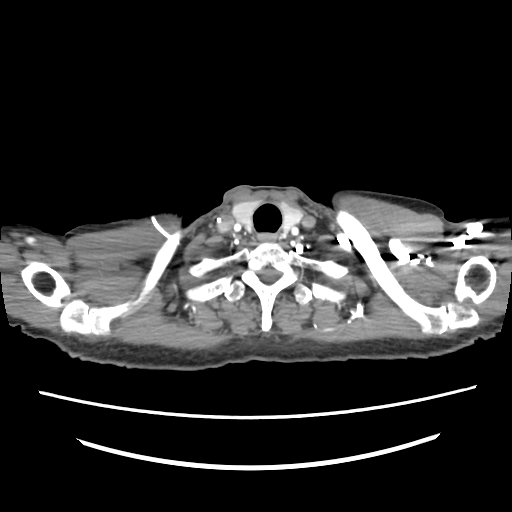 Chest-level CT slice, above the liver and spleen. axial view. W/L 400/40 HU. 65-year-old male patient. 15 organs annotated in this scan (counted over the whole 3D scan, not this slice; an organ is boxed only where this slice passes through it)
At this level of the chest no structure but the esophagus and the aorta has a label in this dataset, and those two are boxed only where they are labeled.
Bounding boxes as [x1, y1, x2, y2] in pixel coordinates.
esophagus: [257, 233, 277, 242]